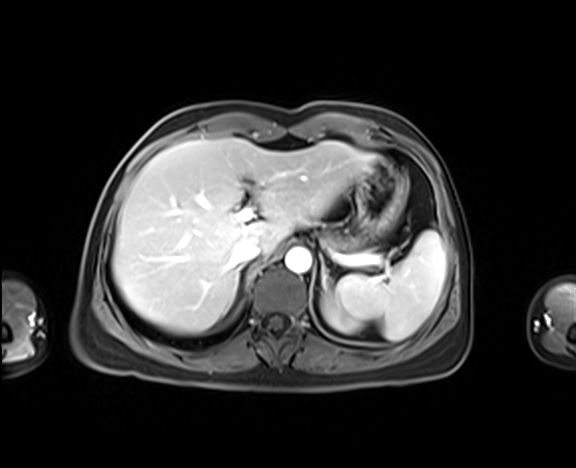
Abdominal MR; axial view; 576x468 px; Prisma scanner
{"organs":{"aorta":[285,247,311,272],"liver":[112,138,379,333],"left kidney":[322,295,361,332],"stomach":[356,159,408,240],"left adrenal gland":[319,252,327,289],"pancreas":[324,233,361,250],"inferior vena cava":[231,243,260,266],"spleen":[335,230,445,340]}}